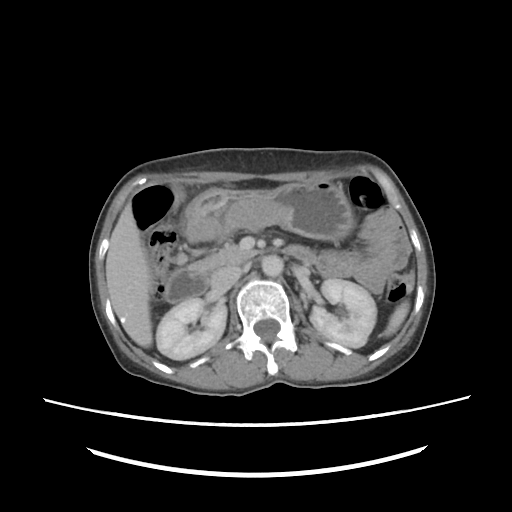 Abdominal CT · axial view
Each box given as x1,y1,x2,y2. Labeled organs on this slice: spleen at x1=383, y1=300, x2=410, y2=337, right kidney at x1=157, y1=298, x2=227, y2=360, left kidney at x1=308, y1=278, x2=376, y2=346, gall bladder at x1=170, y1=182, x2=183, y2=203, liver at x1=105, y1=202, x2=152, y2=346, stomach at x1=182, y1=181, x2=353, y2=244, aorta at x1=262, y1=255, x2=282, y2=276, inferior vena cava at x1=211, y1=265, x2=242, y2=293, pancreas at x1=189, y1=244, x2=262, y2=271, duodenum at x1=163, y1=246, x2=321, y2=302.